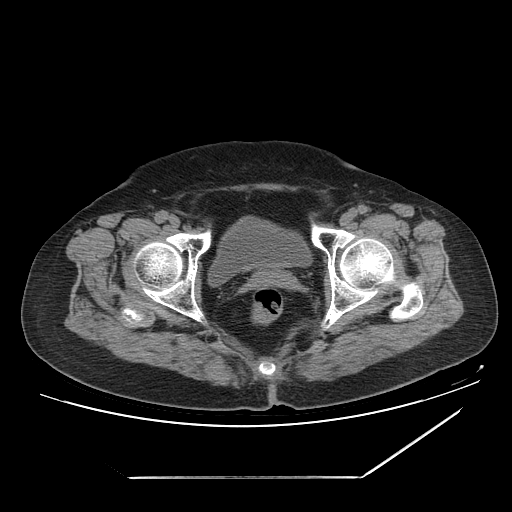 CT abdomen; axial view; 512x512 px; scan has 15 labeled organs (a whole-scan count: organs this slice does not pass through have no box)
<organs><organ name="prostate/uterus" x1="255" y1="272" x2="282" y2="283"/><organ name="bladder" x1="210" y1="217" x2="309" y2="283"/></organs>